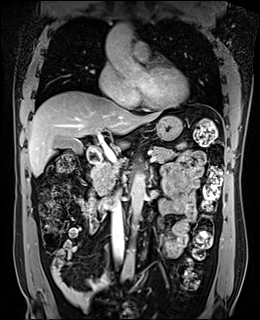
MRI, abdomen · coronal view · 1st–99th percentile window · 13 organs annotated in this scan (counted over the whole 3D scan, not this slice; an organ is boxed only where this slice passes through it)
<organs><organ name="duodenum" x1="87" y1="147" x2="114" y2="210"/><organ name="gall bladder" x1="55" y1="138" x2="82" y2="153"/><organ name="stomach" x1="154" y1="116" x2="182" y2="140"/><organ name="inferior vena cava" x1="111" y1="191" x2="124" y2="262"/><organ name="pancreas" x1="91" y1="146" x2="175" y2="194"/><organ name="liver" x1="28" y1="91" x2="162" y2="176"/><organ name="left adrenal gland" x1="150" y1="167" x2="153" y2="176"/><organ name="aorta" x1="105" y1="23" x2="147" y2="82"/><organ name="aorta" x1="130" y1="172" x2="145" y2="234"/><organ name="aorta" x1="120" y1="247" x2="134" y2="273"/></organs>